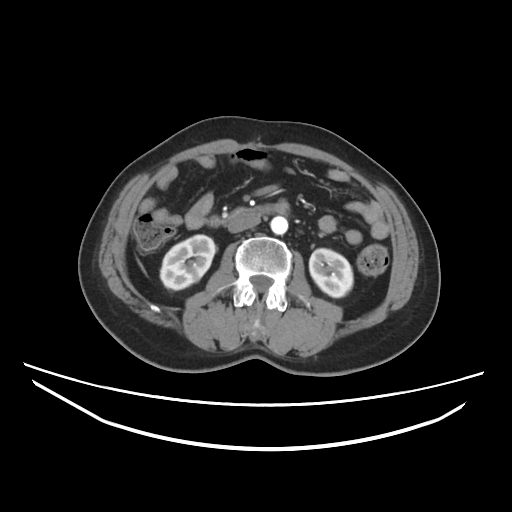 CT, abdomen/pelvis · axial view · W/L 400/40 HU
Bounding boxes as [x1, y1, x2, y2] in pixel coordinates.
right kidney: [160, 234, 215, 289]
left kidney: [309, 248, 352, 297]
aorta: [270, 216, 287, 234]
inferior vena cava: [227, 216, 260, 232]
duodenum: [208, 203, 287, 226]